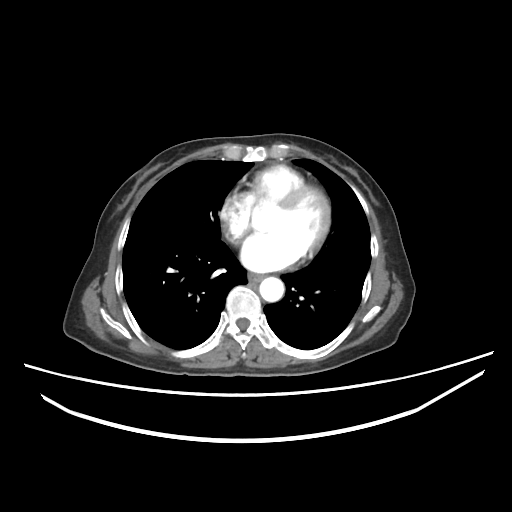

Lower-chest slice from an abdominal CT, just above the liver and spleen; axial view; soft-tissue window (W 400 / L 40)
Of the structures in the chest, this dataset labels only the esophagus, the aorta and the inferior vena cava; the heart and lungs have no label. Bounding boxes as [x1, y1, x2, y2] in pixel coordinates. Labeled organs on this slice: esophagus at [247, 272, 264, 282], aorta at [260, 277, 283, 301].